CT, abdomen/pelvis — axial plane, index 60 — 768x768 px
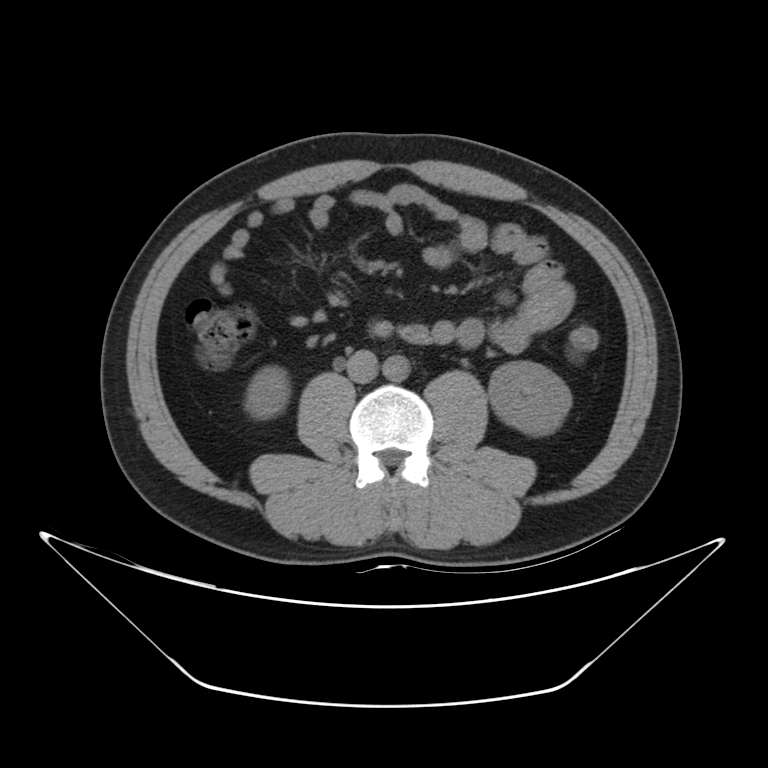
Boxes are (x1, y1, x2, y2) in pixels.
Organ bounding boxes:
- right kidney: (244, 367, 290, 418)
- left kidney: (489, 360, 571, 435)
- aorta: (382, 355, 408, 381)
- inferior vena cava: (346, 349, 377, 382)